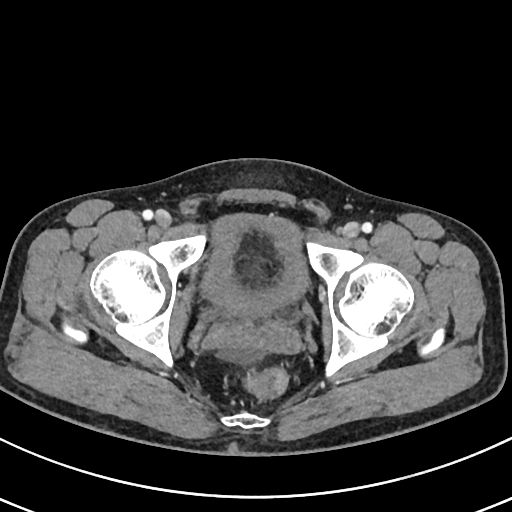

Abdominal CT. axial view. abdomen soft-tissue window. acquired on SOMATOM Force
{"organs":{"bladder":[201,215,308,317]}}